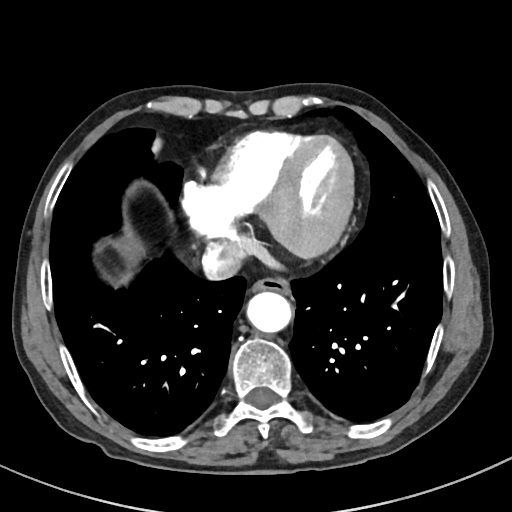
Abdominal CT; this slice is in the lower chest, just above the liver; axial view; soft-tissue window (W 400 / L 40)
Of the structures in the chest, this dataset labels only the esophagus, the aorta and the inferior vena cava; the heart and lungs have no label. Boxes are (x1, y1, x2, y2) in pixels. 3 labeled organs on this slice — aorta at (246, 291, 290, 331); esophagus at (253, 279, 291, 295); inferior vena cava at (202, 240, 245, 280).